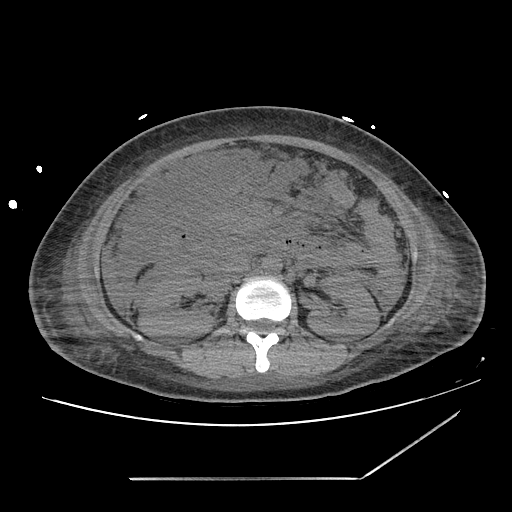

Abdominal CT; Axial slice 112/191; soft-tissue window (W 400 / L 40); 512x512 px
Boxes are (x1, y1, x2, y2) in pixels.
Organ bounding boxes:
- aorta: (263, 256, 284, 274)
- inferior vena cava: (220, 255, 249, 281)
- liver: (102, 254, 120, 308)
- right kidney: (139, 268, 216, 339)
- left kidney: (307, 275, 378, 341)